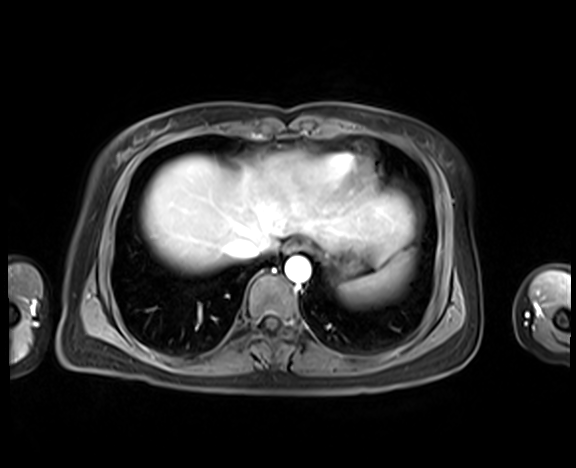 Abdominal MR. axial view. percentile-normalized. 576x468 px
{"organs":{"spleen":[341,251,413,303],"esophagus":[284,242,304,253],"liver":[142,153,412,272],"stomach":[331,241,373,277],"aorta":[285,257,310,282],"inferior vena cava":[227,237,262,259]}}